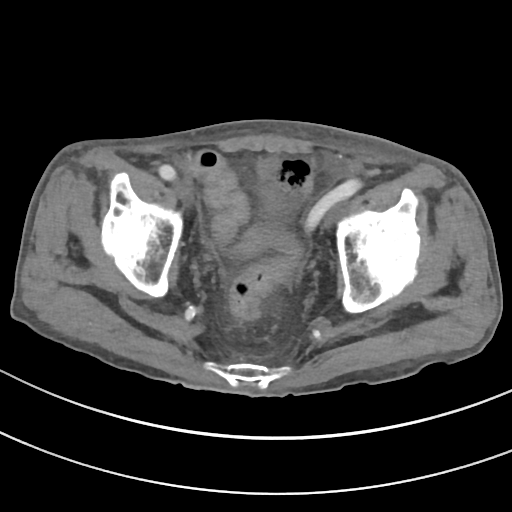

CT, abdomen/pelvis. axial view. W/L 400/40 HU. scan has 15 labeled organs (counted over the whole 3D scan, not this slice; an organ is boxed only where this slice passes through it)
Bounding boxes as [x1, y1, x2, y2] in pixel coordinates.
Organ bounding boxes:
- bladder: [263, 187, 284, 218]